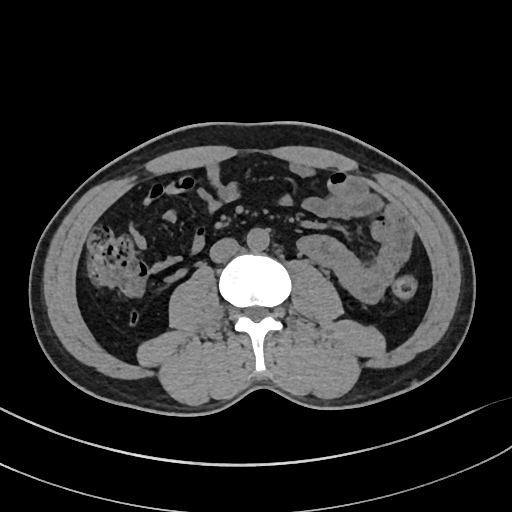
CT abdomen. axial plane, index 120. abdomen soft-tissue window. 512x512 px
Bounding boxes as [x1, y1, x2, y2] in pixel coordinates. The annotated organs in this slice are: aorta at [247, 228, 269, 250], inferior vena cava at [209, 238, 239, 263].